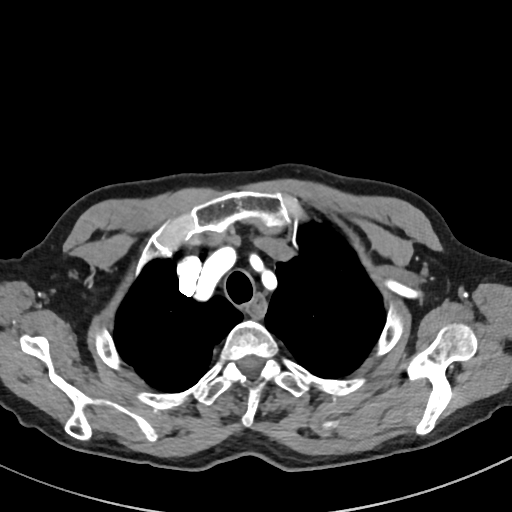 Abdominal CT reaching into the chest; this slice is in the chest. Axial slice 286/303. soft-tissue window
At this level of the chest no structure but the esophagus and the aorta has a label in this dataset, and those two are boxed only where they are labeled. Bounding boxes as [x1, y1, x2, y2] in pixel coordinates. Labeled organs on this slice: esophagus at [246, 296, 266, 315].